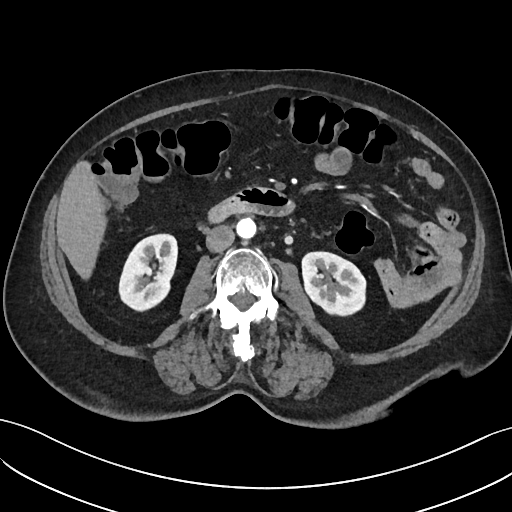 CT abdomen · axial view · soft-tissue window · SOMATOM Force scanner
<organs><organ name="right kidney" x1="119" y1="234" x2="177" y2="311"/><organ name="left kidney" x1="301" y1="252" x2="367" y2="317"/><organ name="liver" x1="56" y1="159" x2="104" y2="279"/><organ name="aorta" x1="236" y1="218" x2="256" y2="239"/><organ name="inferior vena cava" x1="205" y1="225" x2="234" y2="252"/><organ name="duodenum" x1="206" y1="187" x2="295" y2="223"/></organs>